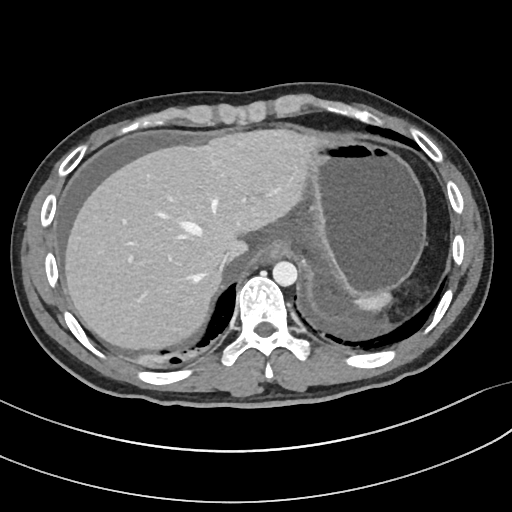 Computed tomography, abdomen. axial plane, index 211. soft-tissue window. 512x512 px
Boxes: x1 y1 x2 y2 (pixel coords, space-separated). The annotated organs in this slice are: spleen at 355 293 393 311, esophagus at 261 244 286 261, liver at 65 131 318 348, stomach at 273 138 426 298, aorta at 272 261 297 286, inferior vena cava at 221 252 230 269.